CT, abdomen/pelvis — axial view — soft-tissue window (W 400 / L 40) — 512x512 px — acquired on SOMATOM Force — 15 organs annotated in this scan (that count is for the whole scan; organs this slice misses have no box)
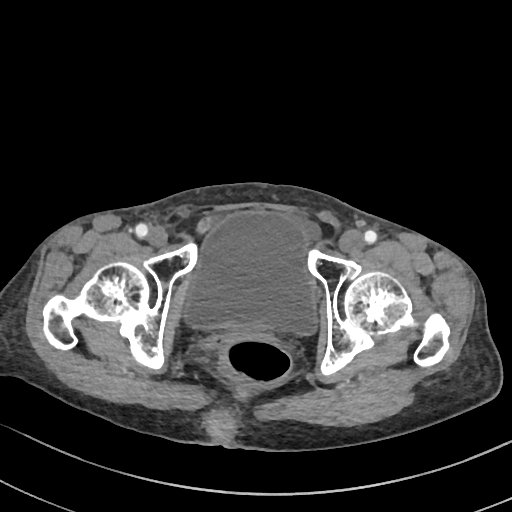
<organs><organ name="bladder" x1="187" y1="213" x2="314" y2="333"/></organs>